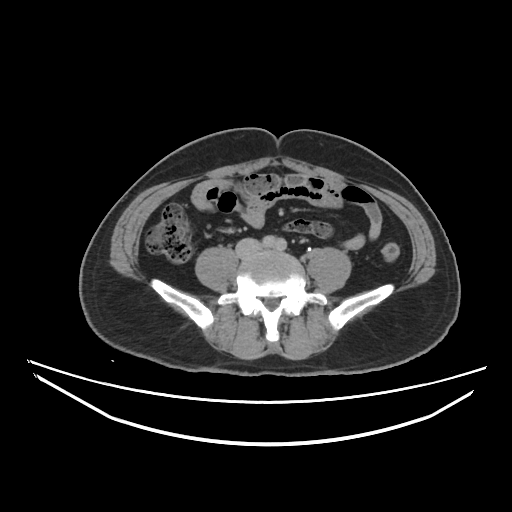 Abdominal CT — axial view — soft-tissue window — Aquilion ONE scanner
Box edges are left/top/right/bottom in pixels.
inferior vena cava: left=235, top=239, right=260, bottom=258